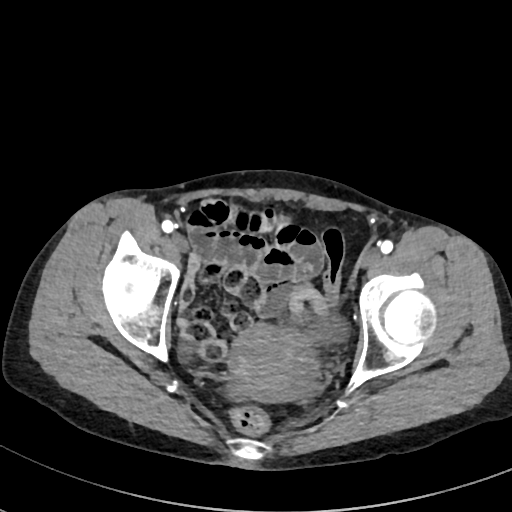 Computed tomography, abdomen. axial view. 512x512 px
Coordinates as <box>x1,y1,x2,y2</box> in pixels. 2 labeled organs on this slice — bladder at <box>313,318,347,342</box>; prostate/uterus at <box>231,324,316,402</box>.